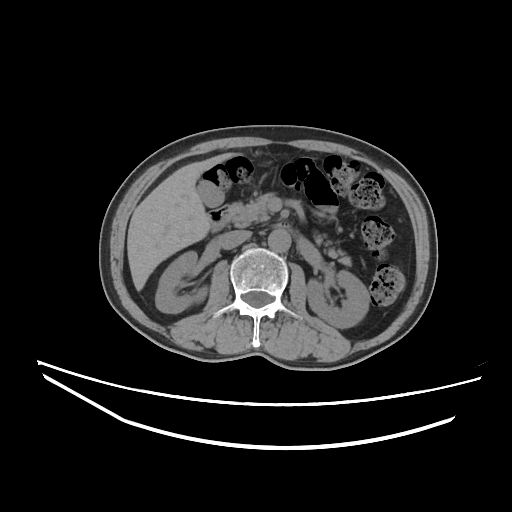 CT, abdomen/pelvis — axial plane, index 65 — 512x512 px — 68-year-old male patient — scan has 15 labeled organs (counted over the whole 3D scan, not this slice; an organ is boxed only where this slice passes through it)
Organ boxes in pixel coordinates; each row gives the top-left (x1, y1) and bottom-right (x2, y2) corners.
| organ | x1 | y1 | x2 | y2 |
|---|---|---|---|---|
| right kidney | 155 | 251 | 207 | 313 |
| left kidney | 306 | 270 | 369 | 328 |
| gall bladder | 197 | 180 | 224 | 207 |
| liver | 127 | 152 | 237 | 290 |
| aorta | 268 | 229 | 290 | 252 |
| inferior vena cava | 218 | 230 | 250 | 249 |
| pancreas | 231 | 193 | 351 | 265 |
| duodenum | 209 | 204 | 286 | 231 |